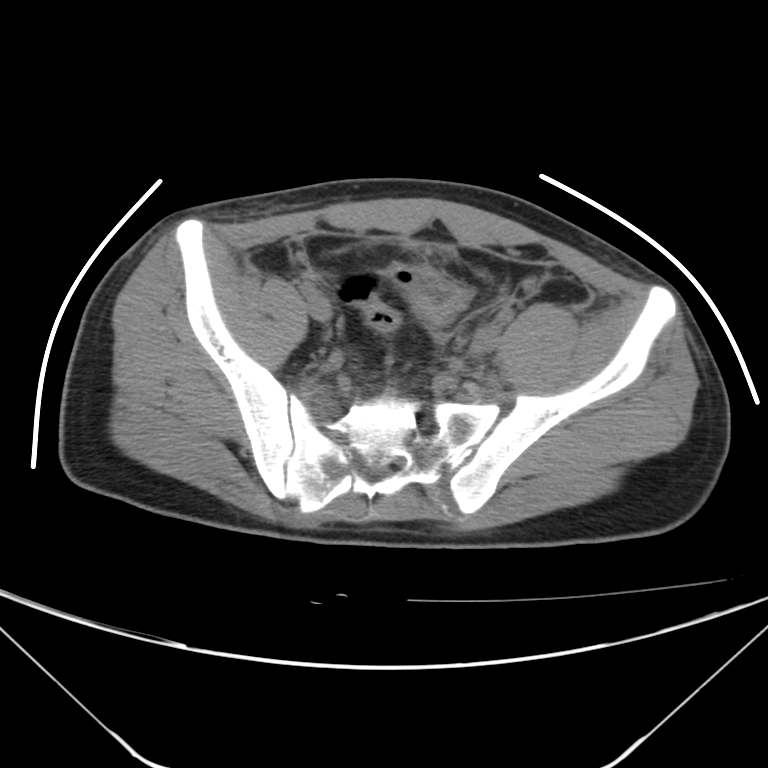

CT abdomen · axial view · W/L 400/40 HU · 768x768 px · Brilliance16 scanner
<organs><organ name="bladder" x1="389" y1="264" x2="469" y2="324"/></organs>